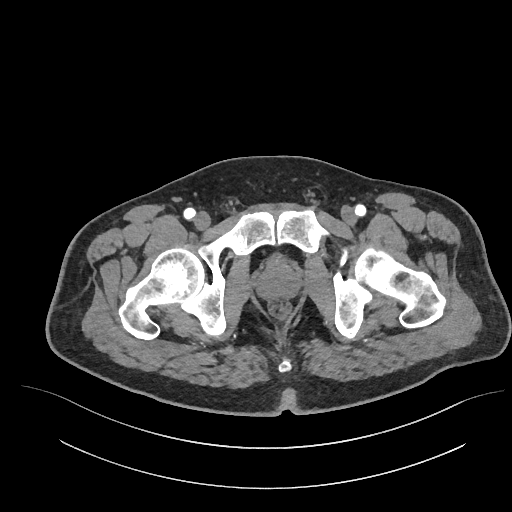
CT abdomen — axial view — W/L 400/40 HU
Coordinates as <box>x1,y1,x2,y2</box> in pixels.
Organ bounding boxes:
- prostate/uterus: <box>257,262,299,299</box>